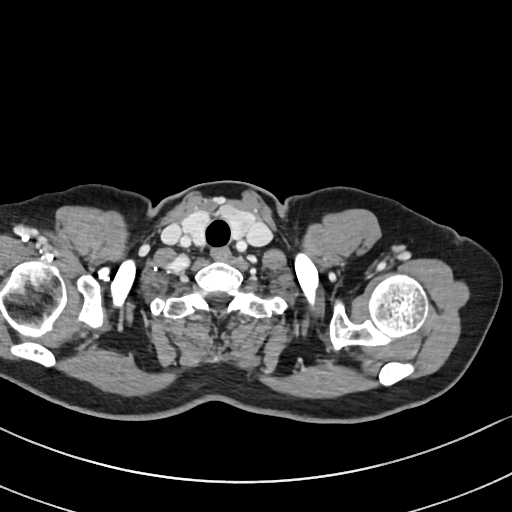
Chest-level slice from an abdominal CT that extends up into the chest — axial view — soft-tissue window — 512x512 px — SOMATOM Force scanner
At this level of the chest this dataset labels only the esophagus and the aorta, and each is boxed only where it is labeled; the heart and lungs are never labeled.
<organs><organ name="esophagus" x1="211" y1="249" x2="228" y2="258"/></organs>